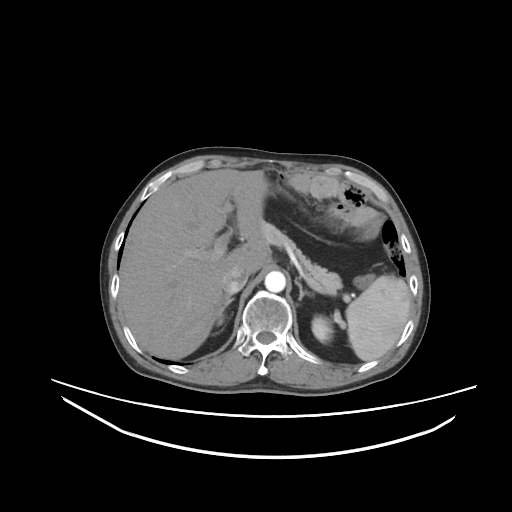 CT abdomen · axial view
<organs><organ name="spleen" x1="344" y1="275" x2="410" y2="361"/><organ name="left kidney" x1="312" y1="315" x2="331" y2="342"/><organ name="liver" x1="119" y1="169" x2="270" y2="359"/><organ name="aorta" x1="264" y1="271" x2="285" y2="292"/><organ name="inferior vena cava" x1="224" y1="265" x2="248" y2="294"/><organ name="pancreas" x1="258" y1="219" x2="342" y2="295"/><organ name="right adrenal gland" x1="217" y1="298" x2="234" y2="324"/><organ name="left adrenal gland" x1="295" y1="277" x2="314" y2="300"/></organs>